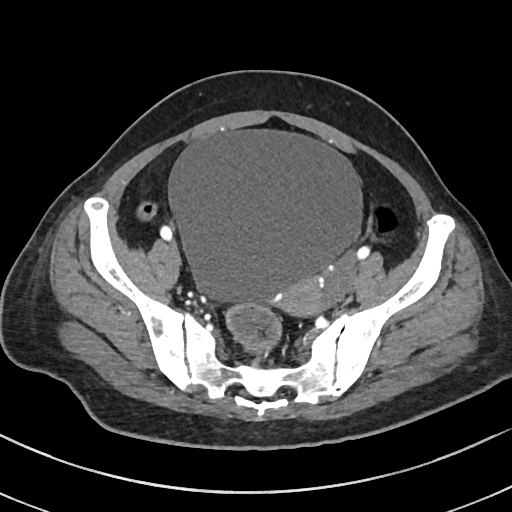 CT, abdomen/pelvis. Axial slice 54/191. abdomen soft-tissue window. 512x512 px. 15 organs annotated in this scan (a whole-scan count: organs this slice does not pass through have no box)
<organs><organ name="bladder" x1="166" y1="131" x2="361" y2="301"/><organ name="prostate/uterus" x1="278" y1="275" x2="322" y2="316"/></organs>